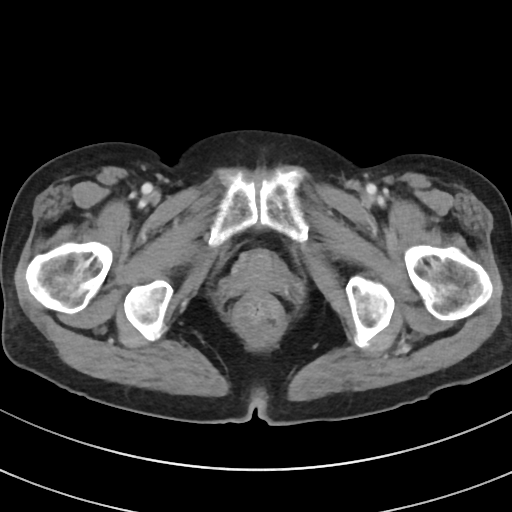

Abdominal CT. axial view. soft-tissue window
Organ boxes in pixel coordinates; each row gives the top-left (x1, y1) and bottom-right (x2, y2) corners.
| organ | x1 | y1 | x2 | y2 |
|---|---|---|---|---|
| prostate/uterus | 228 | 249 | 300 | 299 |